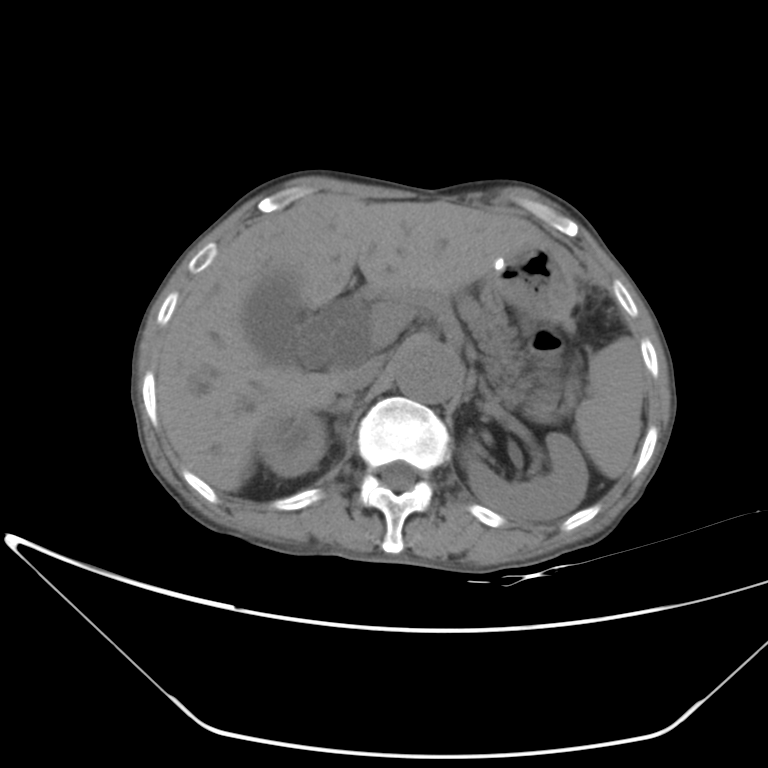
Abdominal CT; axial view; soft-tissue window; 768x768 px
Coordinates as <box>x1,y1,x2,y2</box> in pixels. The annotated organs in this slice are: liver at <box>156,199,545,491</box>, stomach at <box>489,240,579,322</box>, right adrenal gland at <box>328,395,355,415</box>, aorta at <box>396,343,462,403</box>, right kidney at <box>258,412,327,476</box>, gall bladder at <box>245,286,299,361</box>, spleen at <box>576,336,645,478</box>, pancreas at <box>474,288,523,385</box>, inferior vena cava at <box>339,356,382,394</box>, left kidney at <box>461,432,588,520</box>.